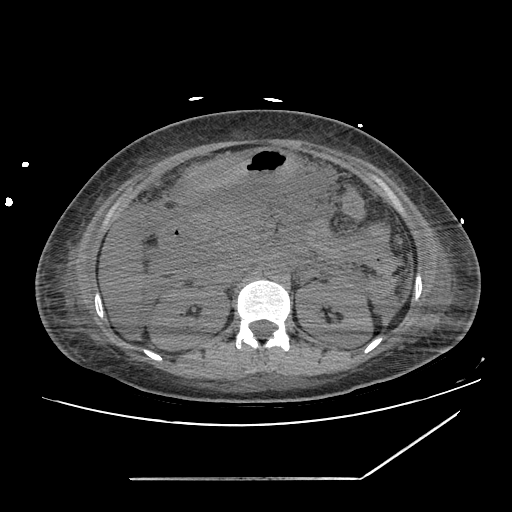

CT, abdomen/pelvis · axial view · soft-tissue window · 512x512 px
<organs><organ name="right kidney" x1="149" y1="285" x2="229" y2="350"/><organ name="left kidney" x1="296" y1="277" x2="372" y2="347"/><organ name="liver" x1="99" y1="230" x2="141" y2="342"/><organ name="stomach" x1="186" y1="149" x2="298" y2="195"/><organ name="aorta" x1="263" y1="259" x2="284" y2="278"/><organ name="inferior vena cava" x1="215" y1="254" x2="252" y2="284"/><organ name="pancreas" x1="197" y1="206" x2="258" y2="252"/><organ name="duodenum" x1="156" y1="217" x2="201" y2="266"/></organs>